Computed tomography, abdomen. axial view. W/L 400/40 HU. scan has 15 labeled organs (that count is for the whole scan; organs this slice misses have no box)
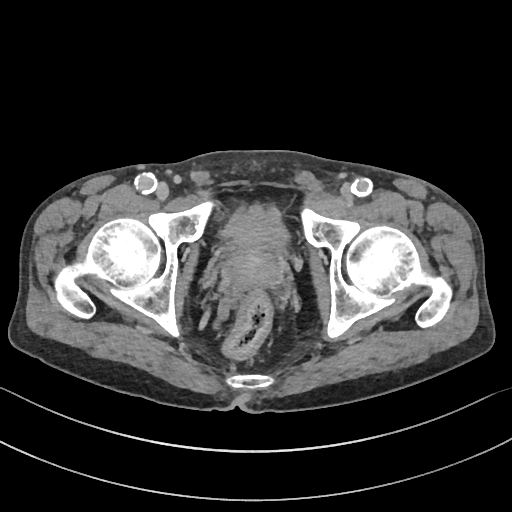 Coordinates as <box>x1,y1,x2,y2</box> in pixels.
bladder: <box>224,208,287,248</box>
prostate/uterus: <box>223,246,282,288</box>